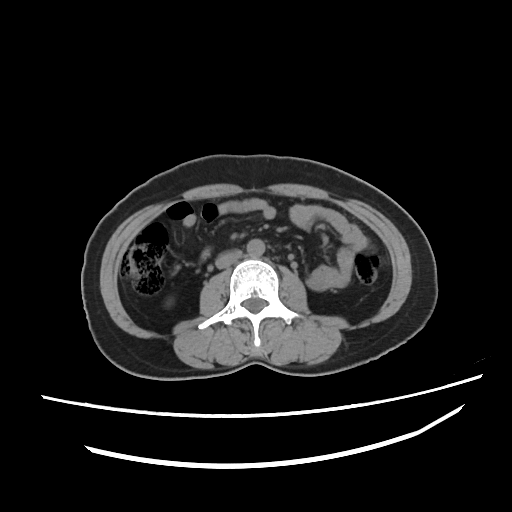 CT abdomen. axial plane, index 54. 512x512 px
{"organs":{"right kidney":[163,296,175,309],"aorta":[245,238,264,258],"inferior vena cava":[216,249,241,268]}}